Abdominal CT. axial view. scan has 15 labeled organs (counted over the whole 3D scan, not this slice; an organ is boxed only where this slice passes through it)
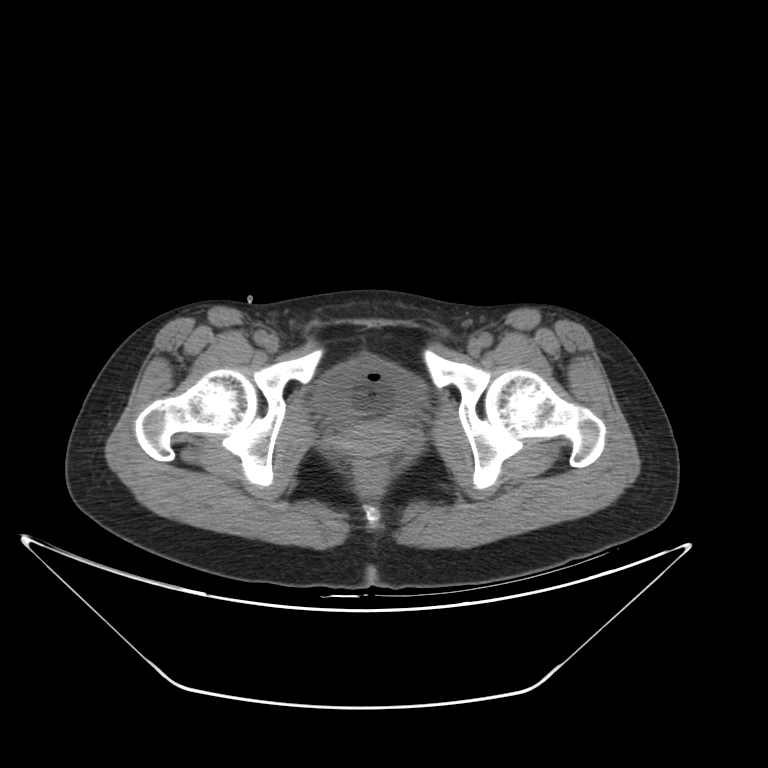
Coordinates as <box>x1,y1,x2,y2</box> in pixels. Labeled organs on this slice: bladder at <box>311,354,426,422</box>, prostate/uterus at <box>333,423,409,455</box>.